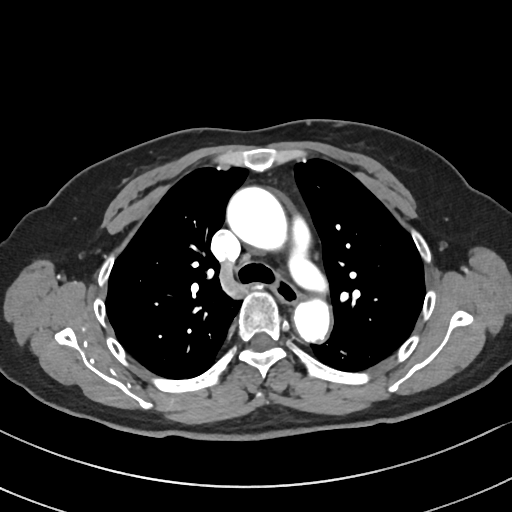 Abdominal CT reaching into the chest; this slice is in the chest; axial plane, index 248; acquired on SOMATOM Force
On a slice this high in the chest, this dataset labels only the esophagus and the aorta, and each is boxed only where it is labeled; the heart, lungs and other chest structures are not labeled. Boxes: x1:y1:x2:y2 in pixels. The annotated organs in this slice are: esophagus at 275:277:297:305, aorta at 225:185:289:250, aorta at 294:298:332:342.